Abdominal CT. axial view. acquired on Aquilion ONE
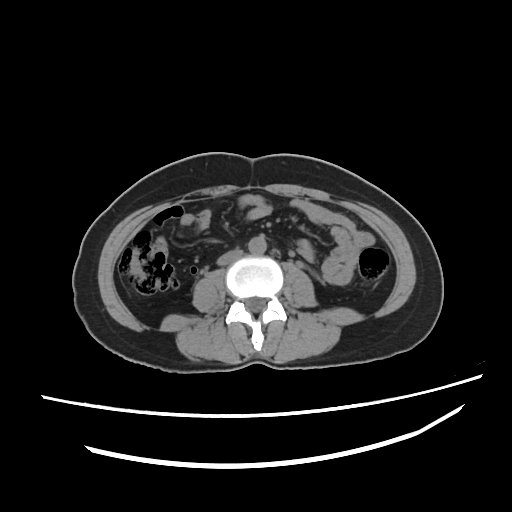

<organs><organ name="aorta" x1="247" y1="234" x2="266" y2="254"/><organ name="inferior vena cava" x1="216" y1="250" x2="242" y2="266"/></organs>